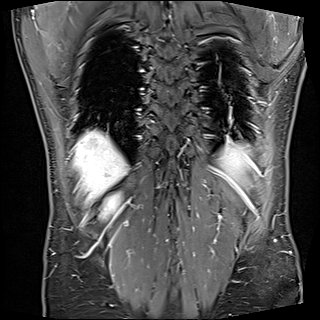
MRI, abdomen; coronal acquisition; 1st–99th percentile window; 320x320 px; scan has 13 labeled organs (a whole-scan count: organs this slice does not pass through have no box)
Coordinates as <box>x1,y1,x2,y2</box> in pixels.
right kidney: <box>103,196,119,215</box>
liver: <box>74,130,127,201</box>
spleen: <box>219,145,250,185</box>